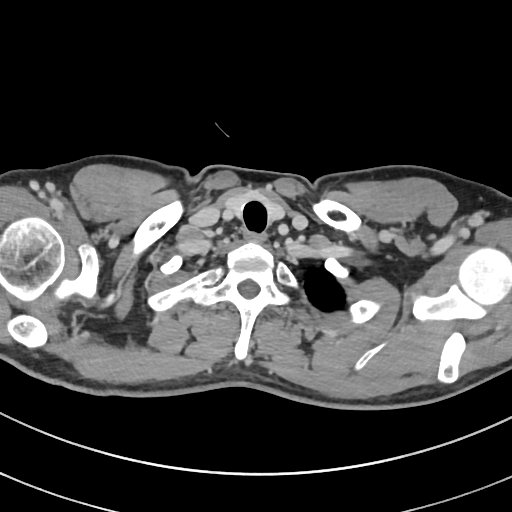 Chest-level CT slice, above the liver and spleen — Axial slice 286/298 — soft-tissue window — 15 organs annotated in this scan (a whole-scan count: organs this slice does not pass through have no box)
At this level of the chest this dataset labels only the esophagus and the aorta, and each is boxed only where it is labeled; the heart and lungs are never labeled.
<organs><organ name="esophagus" x1="244" y1="231" x2="267" y2="243"/></organs>